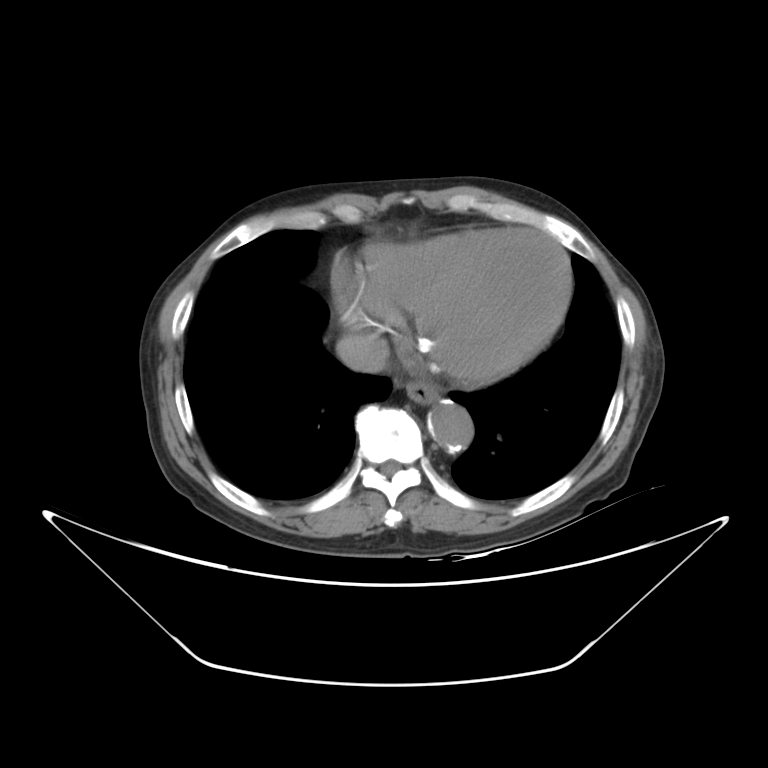 CT of the abdomen reaching into the lower chest, slice just above the liver and spleen. axial view. soft-tissue window, W/L 400/40. 14 organs annotated in this scan (that count is for the whole scan; organs this slice misses have no box)
Of the structures in the chest, this dataset labels only the esophagus, the aorta and the inferior vena cava; the heart and lungs have no label.
Bounding boxes as [x1, y1, x2, y2] in pixel coordinates.
esophagus: [405, 381, 442, 404]
aorta: [427, 401, 472, 452]
inferior vena cava: [336, 333, 389, 372]